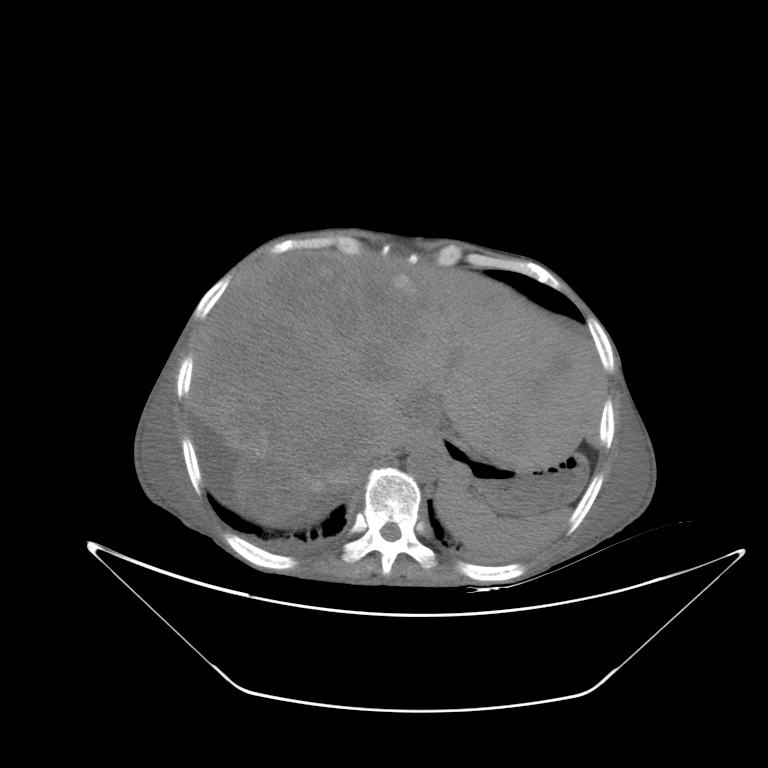 CT abdomen — axial view — W/L 400/40 HU — 56-year-old male patient — scan has 15 labeled organs (counted over the whole 3D scan, not this slice; an organ is boxed only where this slice passes through it)
Boxes: x1:y1:x2:y2 in pixels. Labeled organs on this slice: spleen at 434:473:570:555, esophagus at 405:436:434:452, liver at 191:252:605:527, stomach at 432:434:588:517, aorta at 406:448:444:482, inferior vena cava at 370:430:409:461.